CT abdomen; axial view
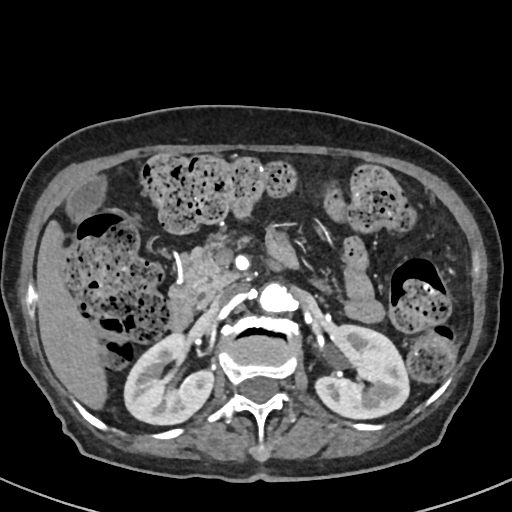

One row per box, in pixels: columns x1 and y1 give the top-left corner, x2 and y2 the bottom-right.
| organ | x1 | y1 | x2 | y2 |
|---|---|---|---|---|
| right kidney | 124 | 332 | 213 | 424 |
| left kidney | 315 | 324 | 409 | 418 |
| gall bladder | 66 | 175 | 106 | 220 |
| liver | 37 | 221 | 106 | 409 |
| aorta | 259 | 283 | 290 | 312 |
| inferior vena cava | 212 | 284 | 247 | 308 |
| pancreas | 170 | 234 | 239 | 303 |
| duodenum | 168 | 296 | 193 | 330 |